CT, abdomen/pelvis · Axial slice 51/105 · Brilliance16 scanner · scan has 15 labeled organs (a whole-scan count: organs this slice does not pass through have no box)
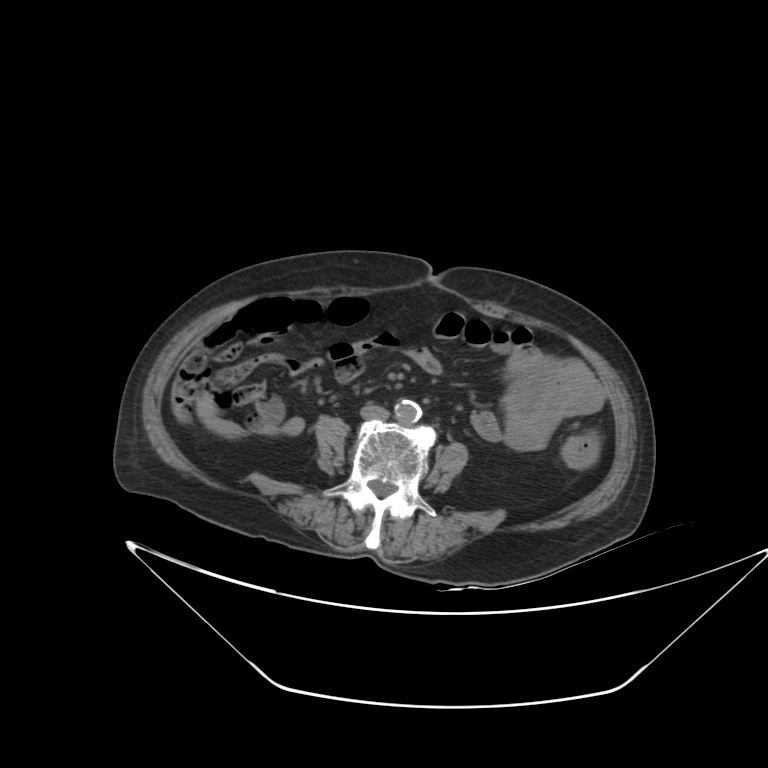

<organs><organ name="inferior vena cava" x1="361" y1="406" x2="389" y2="419"/><organ name="aorta" x1="395" y1="399" x2="421" y2="423"/></organs>